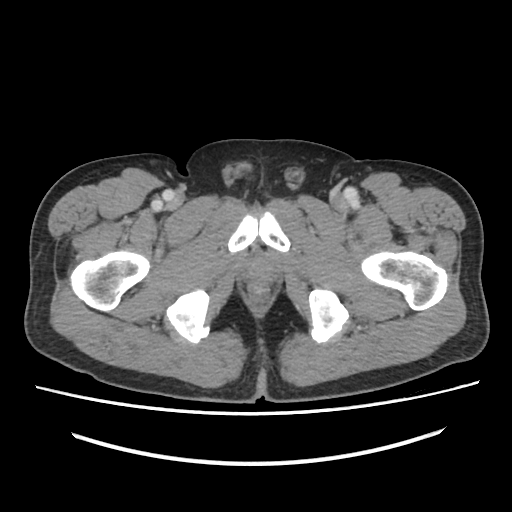
Abdominal CT. axial view. W/L 400/40 HU. 512x512 px. acquired on Aquilion ONE
Organ boxes in pixel coordinates; each row gives the top-left (x1, y1) and bottom-right (x2, y2) corners.
| organ | x1 | y1 | x2 | y2 |
|---|---|---|---|---|
| prostate/uterus | 248 | 258 | 274 | 280 |